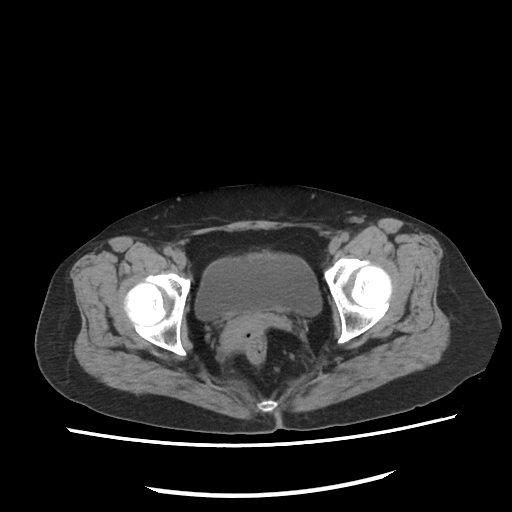

CT, abdomen/pelvis · axial view · soft-tissue window (W 400 / L 40) · 512x512 px · 56-year-old female patient
<organs><organ name="bladder" x1="195" y1="254" x2="323" y2="318"/><organ name="prostate/uterus" x1="220" y1="314" x2="265" y2="350"/></organs>